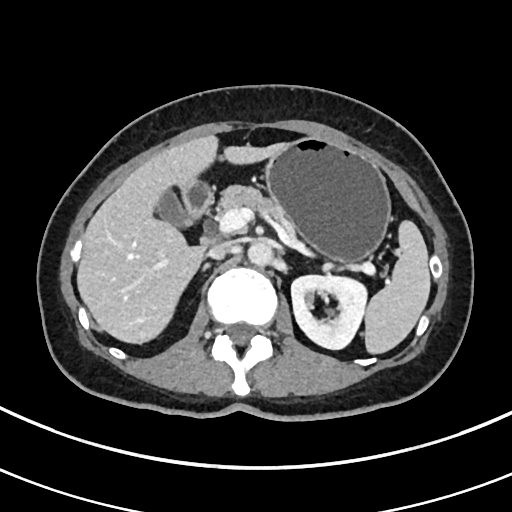

CT abdomen — axial view — 512x512 px
One row per box, in pixels: columns x1 and y1 give the top-left corner, x2 and y2 the bottom-right.
| organ | x1 | y1 | x2 | y2 |
|---|---|---|---|---|
| spleen | 363 | 220 | 430 | 354 |
| left kidney | 291 | 275 | 366 | 349 |
| gall bladder | 156 | 191 | 190 | 226 |
| liver | 76 | 135 | 285 | 343 |
| stomach | 265 | 137 | 390 | 265 |
| aorta | 247 | 241 | 273 | 267 |
| inferior vena cava | 207 | 243 | 228 | 259 |
| pancreas | 218 | 185 | 293 | 229 |
| right adrenal gland | 202 | 263 | 209 | 270 |
| duodenum | 182 | 180 | 212 | 222 |